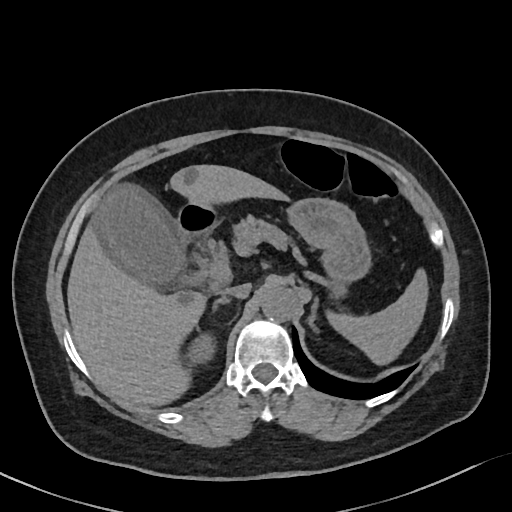

CT abdomen — axial view — soft-tissue window — 512x512 px — SOMATOM Force scanner
{"organs":{"gall bladder":[93,183,185,286],"aorta":[262,284,297,320],"right adrenal gland":[214,295,228,305],"stomach":[284,198,368,293],"liver":[67,165,283,405],"pancreas":[212,216,307,265],"left adrenal gland":[308,296,319,331],"right kidney":[185,335,212,361],"duodenum":[178,202,217,240],"inferior vena cava":[220,283,251,298],"spleen":[326,269,427,365]}}